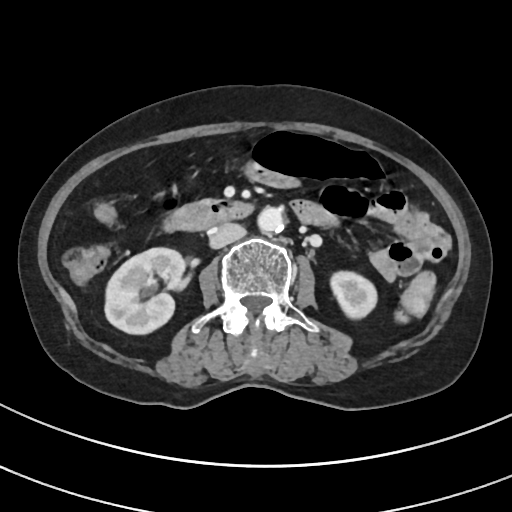 CT abdomen · Axial slice 117/284 · SOMATOM Force scanner · scan has 15 labeled organs (counted over the whole 3D scan, not this slice; an organ is boxed only where this slice passes through it)
{"organs":{"right kidney":[106,247,186,333],"left kidney":[330,272,376,319],"aorta":[259,207,286,232],"inferior vena cava":[211,222,245,247],"duodenum":[162,198,252,231]}}